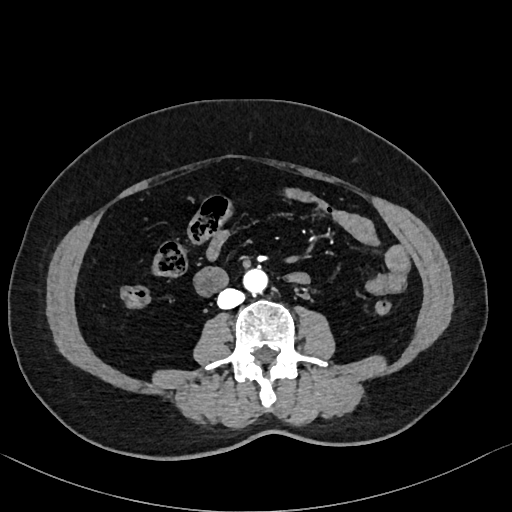

Abdominal CT; axial view
Boxes: x1:y1:x2:y2 in pixels. 2 labeled organs on this slice — inferior vena cava at 217:288:244:309; aorta at 243:268:267:293.